Computed tomography, abdomen · axial view · 14 organs annotated in this scan (counted over the whole 3D scan, not this slice; an organ is boxed only where this slice passes through it)
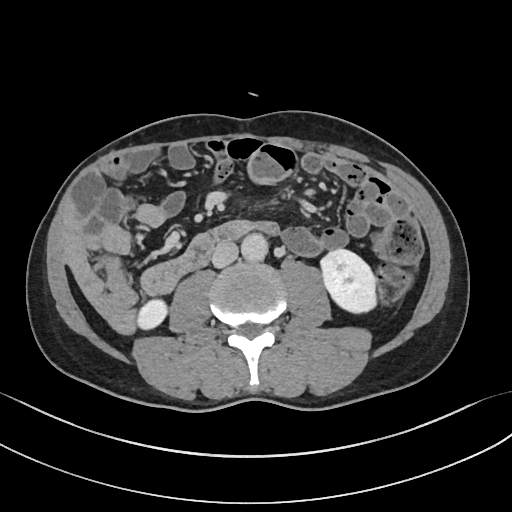
{"organs":{"aorta":[241,233,268,261],"inferior vena cava":[212,241,238,267],"right kidney":[137,299,167,329],"left kidney":[320,249,376,312]}}